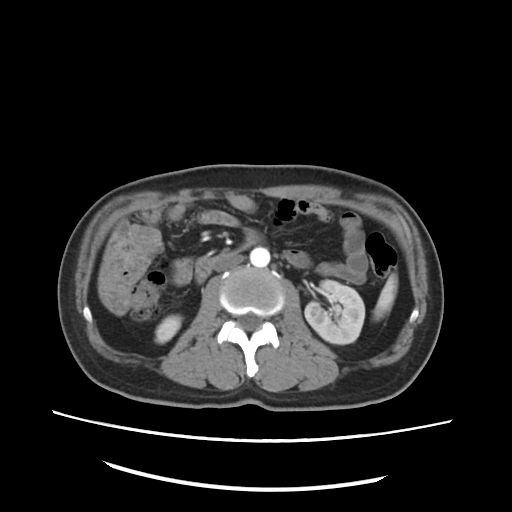
CT, abdomen/pelvis · axial view · abdomen soft-tissue window
One row per box, in pixels: columns x1 and y1 give the top-left corner, x2 and y2 the bottom-right.
| organ | x1 | y1 | x2 | y2 |
|---|---|---|---|---|
| spleen | 374 | 275 | 396 | 319 |
| right kidney | 155 | 314 | 182 | 343 |
| left kidney | 305 | 280 | 364 | 345 |
| aorta | 251 | 247 | 270 | 268 |
| inferior vena cava | 217 | 254 | 244 | 270 |
| duodenum | 194 | 228 | 262 | 283 |